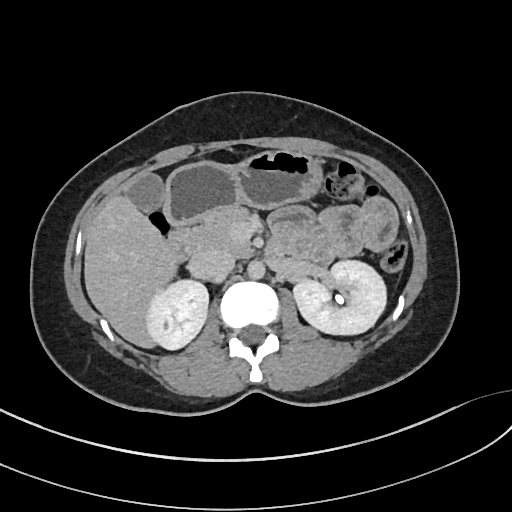
Computed tomography, abdomen; axial view; 512x512 px; acquired on SOMATOM Force; 15 organs annotated in this scan (counted over the whole 3D scan, not this slice; an organ is boxed only where this slice passes through it)
<organs><organ name="right kidney" x1="144" y1="278" x2="208" y2="349"/><organ name="stomach" x1="165" y1="150" x2="320" y2="225"/><organ name="pancreas" x1="193" y1="206" x2="250" y2="255"/><organ name="liver" x1="84" y1="196" x2="176" y2="348"/><organ name="inferior vena cava" x1="188" y1="249" x2="234" y2="280"/><organ name="duodenum" x1="165" y1="228" x2="197" y2="261"/><organ name="left kidney" x1="292" y1="259" x2="387" y2="334"/><organ name="gall bladder" x1="126" y1="174" x2="162" y2="210"/><organ name="aorta" x1="247" y1="259" x2="264" y2="278"/></organs>